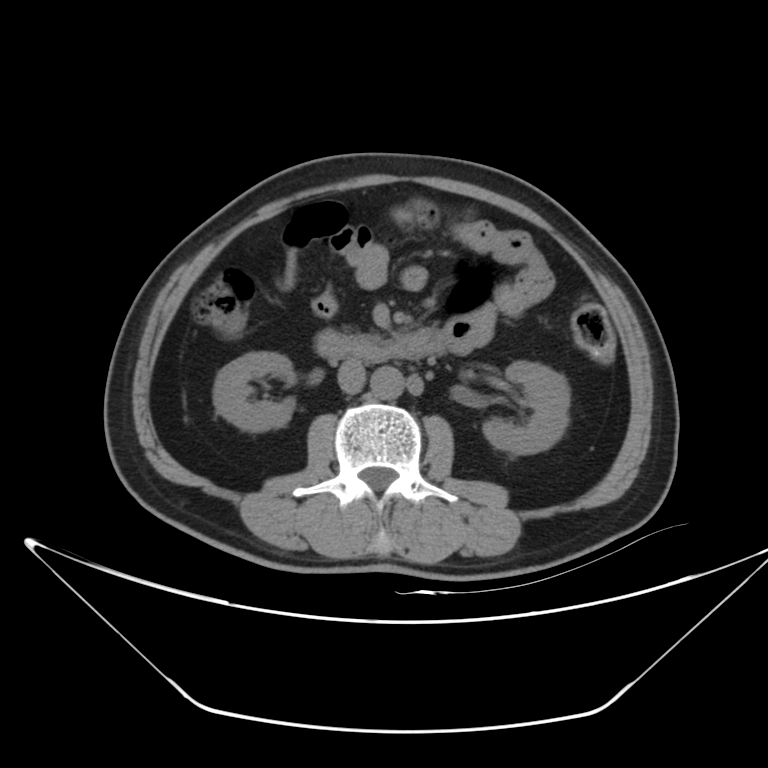

Computed tomography, abdomen — Axial slice 56/93 — soft-tissue window
Bounding boxes as [x1, y1, x2, y2] in pixel coordinates. The annotated organs in this slice are: aorta at [371, 367, 404, 399], right kidney at [213, 351, 294, 431], left kidney at [483, 361, 570, 454], inferior vena cava at [339, 358, 363, 393], duodenum at [315, 329, 445, 363].